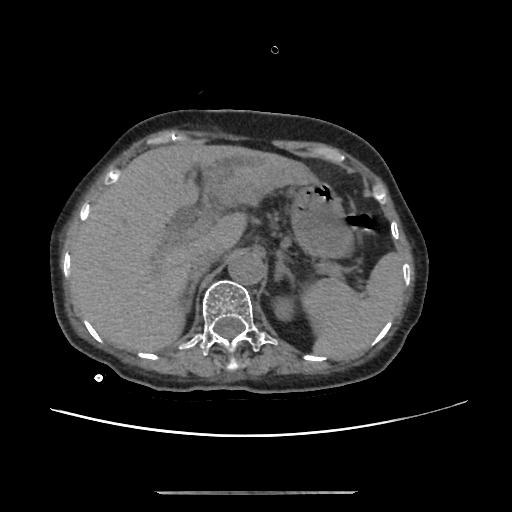 Abdominal CT; axial view; acquired on SOMATOM Force
<organs><organ name="spleen" x1="303" y1="251" x2="403" y2="359"/><organ name="left kidney" x1="272" y1="299" x2="292" y2="320"/><organ name="liver" x1="70" y1="141" x2="315" y2="351"/><organ name="stomach" x1="292" y1="179" x2="350" y2="256"/><organ name="aorta" x1="227" y1="251" x2="263" y2="283"/><organ name="inferior vena cava" x1="188" y1="246" x2="221" y2="273"/><organ name="right adrenal gland" x1="180" y1="272" x2="202" y2="311"/><organ name="left adrenal gland" x1="273" y1="251" x2="294" y2="280"/></organs>